CT abdomen; axial view; W/L 400/40 HU; 512x512 px
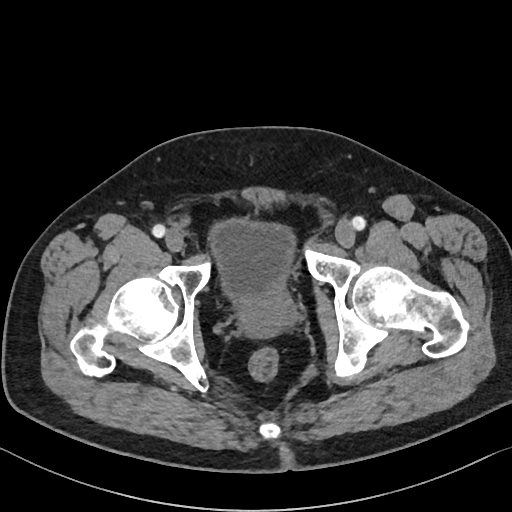
{"organs":{"bladder":[209,219,294,298],"prostate/uterus":[237,290,297,337]}}